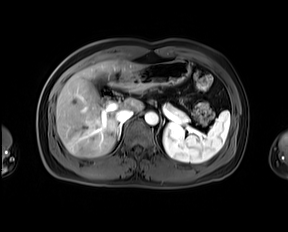
Magnetic resonance imaging, abdomen; axial view; percentile-normalized; 288x232 px
Each box given as x1,y1,x2,y2. Labeled organs on this slice: spleen at x1=163, y1=111, x2=229, y2=163, liver at x1=56, y1=60, x2=144, y2=157, stomach at x1=120, y1=60, x2=190, y2=91, aorta at x1=144, y1=111, x2=158, y2=125, inferior vena cava at x1=116, y1=110, x2=133, y2=122, pancreas at x1=164, y1=103, x2=189, y2=122, right adrenal gland at x1=117, y1=124, x2=121, y2=139, duodenum at x1=108, y1=80, x2=120, y2=87.